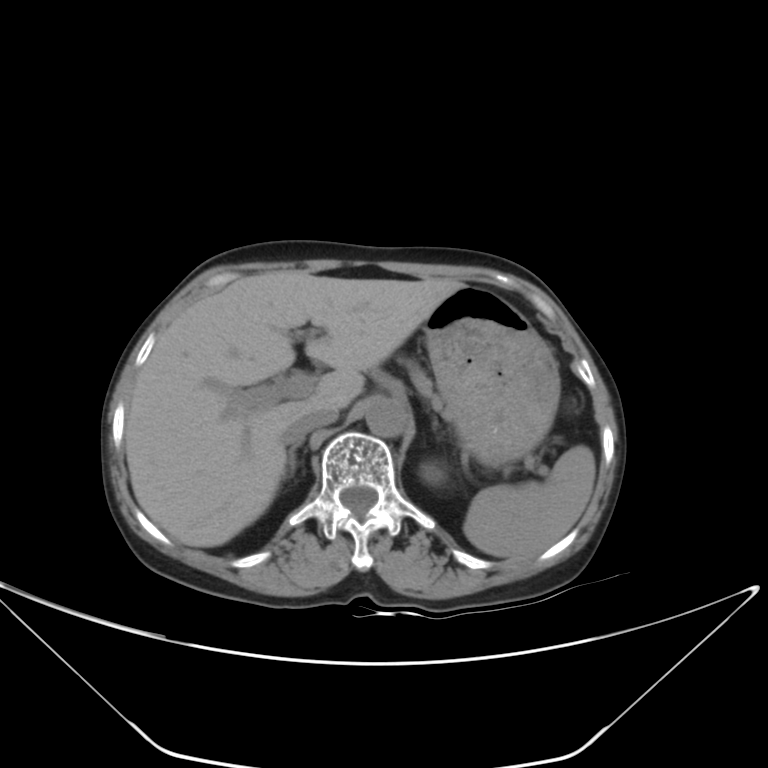

CT, abdomen/pelvis; axial plane, index 65; 768x768 px; Brilliance16 scanner
Coordinates as <box>x1,y1,x2,y2</box> in pixels. The annotated organs in this slice are: left kidney at <box>420,461,448,486</box>, aorta at <box>366,398,407,438</box>, pancreas at <box>408,363,441,407</box>, inferior vena cava at <box>286,408,337,442</box>, right adrenal gland at <box>287,434,305,476</box>, liver at <box>125,270,462,547</box>, stomach at <box>423,286,559,463</box>, spleen at <box>463,444,595,559</box>.